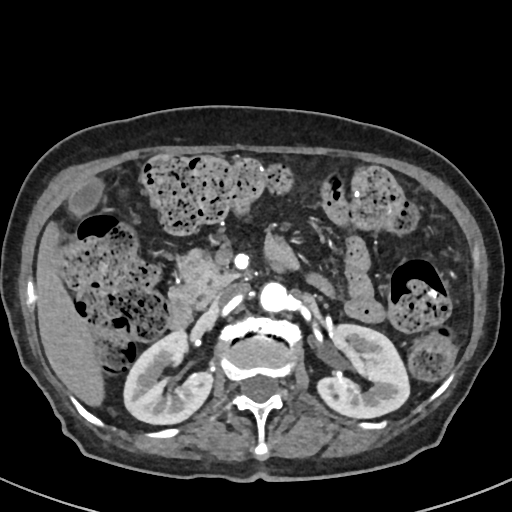

CT abdomen; axial view; W/L 400/40 HU; scan has 15 labeled organs (a whole-scan count: organs this slice does not pass through have no box)
{"organs":{"right kidney":[124,332,213,424],"left kidney":[315,324,409,418],"gall bladder":[67,175,104,215],"liver":[37,221,104,408],"aorta":[259,283,290,312],"inferior vena cava":[212,284,247,308],"pancreas":[170,247,239,303],"duodenum":[168,296,193,330]}}